Abdominal MRI; this slice is in the lower chest, just above the liver. Axial slice 69/72. 320x260 px
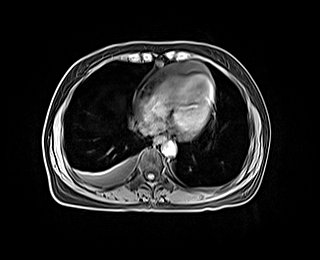 The heart and lungs are never labeled in this dataset, so they have no box on this slice.
Boxes are (x1, y1, x2, y2) in pixels.
esophagus: (154, 136, 165, 143)
inferior vena cava: (137, 122, 154, 134)
aorta: (161, 141, 175, 156)